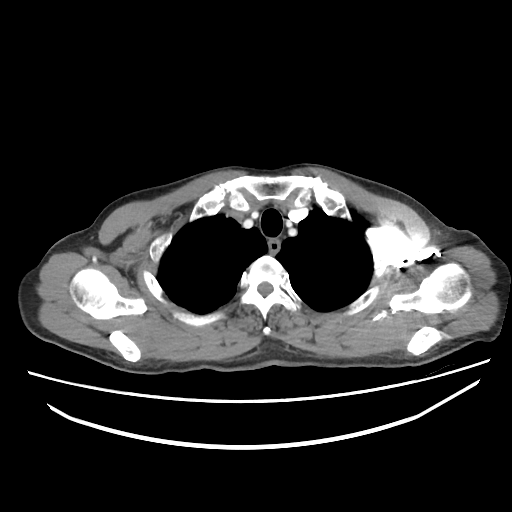
Chest-level CT slice, above the liver and spleen; axial view; soft-tissue window; 63-year-old male patient; acquired on Aquilion ONE
At this level of the chest no structure but the esophagus and the aorta has a label in this dataset, and those two are boxed only where they are labeled.
<organs><organ name="esophagus" x1="269" y1="242" x2="279" y2="252"/></organs>